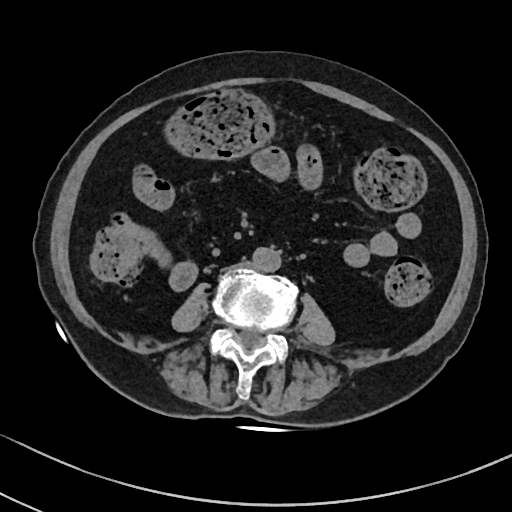
CT, abdomen/pelvis; axial plane, index 110; abdomen soft-tissue window
One row per box, in pixels: columns x1 and y1 give the top-left corner, x2 and y2 the bottom-right.
| organ | x1 | y1 | x2 | y2 |
|---|---|---|---|---|
| aorta | 252 | 247 | 281 | 271 |
| inferior vena cava | 224 | 261 | 249 | 271 |